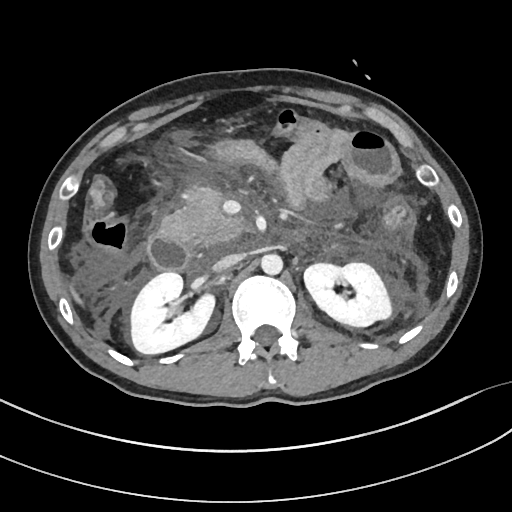

CT abdomen; Axial slice 157/251
<organs><organ name="right kidney" x1="130" y1="272" x2="214" y2="354"/><organ name="left kidney" x1="304" y1="263" x2="391" y2="326"/><organ name="liver" x1="72" y1="291" x2="79" y2="301"/><organ name="aorta" x1="261" y1="253" x2="283" y2="275"/><organ name="inferior vena cava" x1="213" y1="253" x2="243" y2="271"/><organ name="pancreas" x1="160" y1="187" x2="243" y2="245"/><organ name="duodenum" x1="147" y1="234" x2="192" y2="270"/></organs>